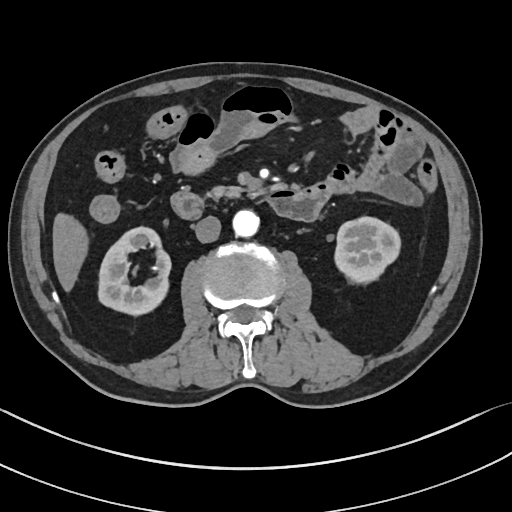
Abdominal CT; Axial slice 133/306; abdomen soft-tissue window; 512x512 px; SOMATOM Force scanner
Each box given as x1,y1,x2,y2. Labeled organs on this slice: inferior vena cava at x1=195, y1=215, x2=221, y2=242, right kidney at x1=98, y1=225, x2=171, y2=313, pancreas at x1=210, y1=185, x2=260, y2=199, aorta at x1=232, y1=209, x2=260, y2=236, duodenum at x1=171, y1=183, x2=329, y2=221, liver at x1=53, y1=214, x2=86, y2=289, left kidney at x1=334, y1=217, x2=401, y2=281.